CT, abdomen/pelvis — Axial slice 26/122
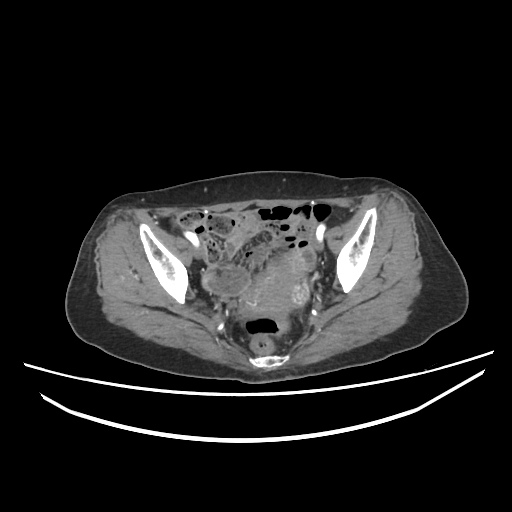

Coordinates as <box>x1,y1,x2,y2</box> in pixels.
Organ bounding boxes:
- prostate/uterus: <box>243,274,290,314</box>